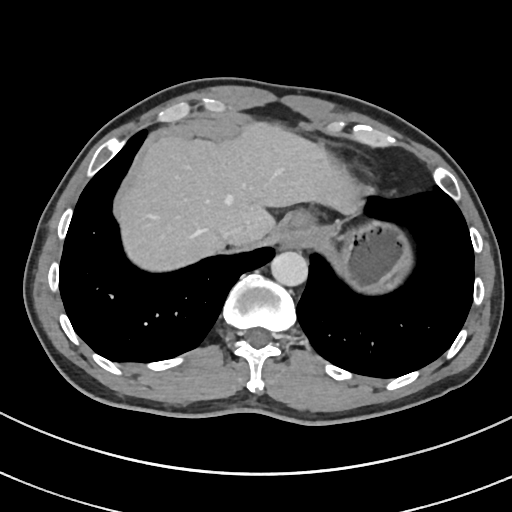

CT, abdomen/pelvis · axial plane, index 163
{"organs":{"esophagus":[278,213,309,245],"liver":[117,122,359,272],"stomach":[307,222,409,289],"inferior vena cava":[221,226,245,241],"aorta":[271,251,308,287]}}